CT abdomen · axial view · 512x512 px
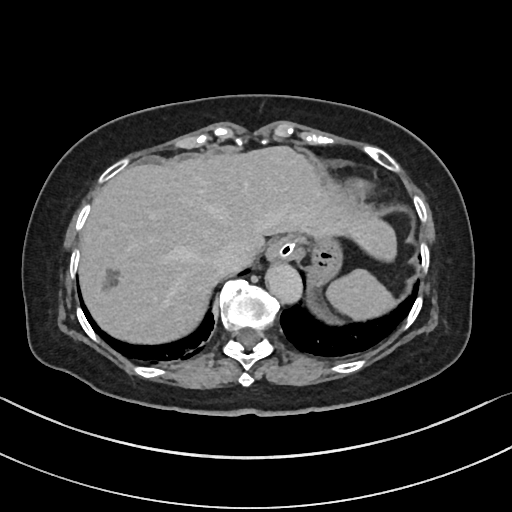
Boxes are (x1, y1, x2, y2) in pixels.
spleen: (326, 269, 396, 320)
esophagus: (266, 235, 296, 261)
liver: (78, 146, 396, 343)
stomach: (292, 234, 342, 285)
aorta: (265, 262, 301, 302)
inferior vena cava: (213, 244, 244, 272)